Lower-chest slice from an abdominal CT, just above the liver and spleen — axial view — 512x512 px
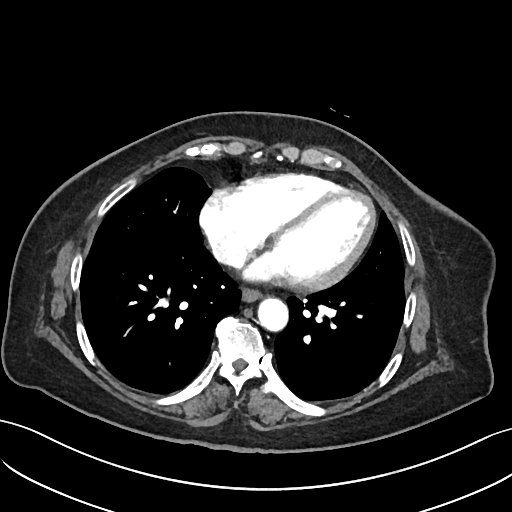

No part of the heart or lungs is labeled in this dataset, so neither has a box here.
{"organs":{"esophagus":[242,289,261,302],"aorta":[258,298,288,331],"inferior vena cava":[214,243,245,266]}}